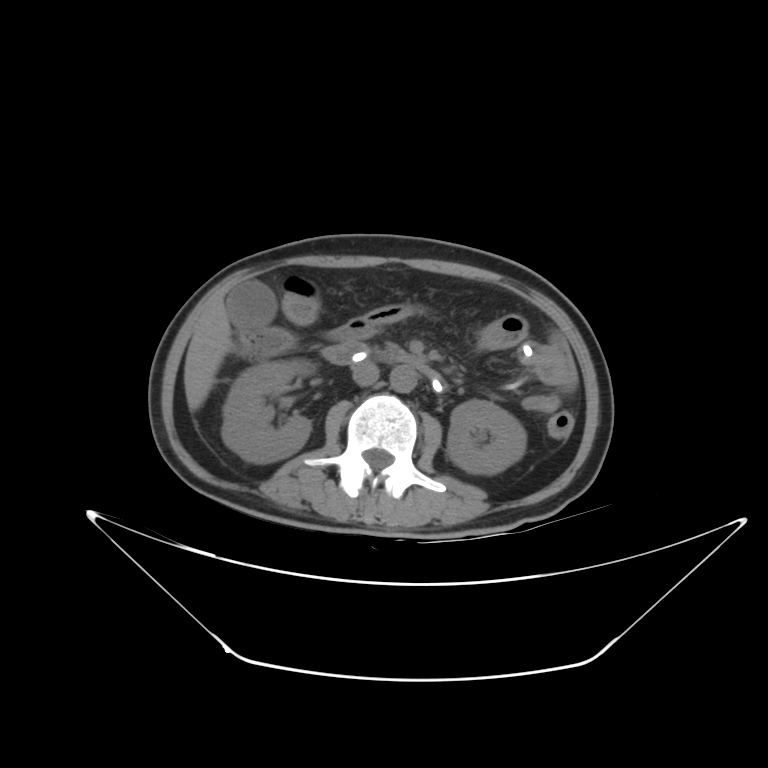 Abdominal CT — axial plane, index 58 — 55-year-old male patient — acquired on Brilliance16 — 15 organs annotated in this scan (that count is for the whole scan; organs this slice misses have no box)
Coordinates as <box>x1,y1,x2,y2</box> in pixels.
right kidney: <box>222,358,315,463</box>
left kidney: <box>447,399,526,474</box>
gall bladder: <box>227,284,271,327</box>
liver: <box>184,302,231,410</box>
aorta: <box>390,364,417,392</box>
inferior vena cava: <box>352,361,379,386</box>
pancreas: <box>377,345,420,363</box>
duodenum: <box>321,342,446,391</box>